CT, abdomen/pelvis. axial plane, index 169
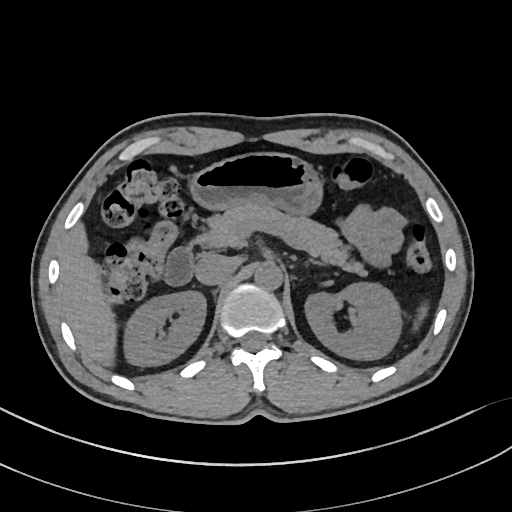
Bounding boxes in pixels, one row per box: x1, y1 is the top-left corner and x2, y2 the bottom-right.
| organ | x1 | y1 | x2 | y2 |
|---|---|---|---|---|
| pancreas | 196 | 203 | 365 | 274 |
| spleen | 414 | 303 | 427 | 328 |
| aorta | 254 | 261 | 282 | 289 |
| right kidney | 123 | 290 | 206 | 366 |
| liver | 59 | 223 | 116 | 366 |
| duodenum | 164 | 243 | 193 | 285 |
| left kidney | 305 | 282 | 402 | 360 |
| left adrenal gland | 306 | 259 | 322 | 265 |
| inferior vena cava | 195 | 253 | 236 | 285 |
| stomach | 189 | 152 | 322 | 214 |